CT abdomen. axial plane, index 86. acquired on Brilliance16. 15 organs annotated in this scan (that count is for the whole scan; organs this slice misses have no box)
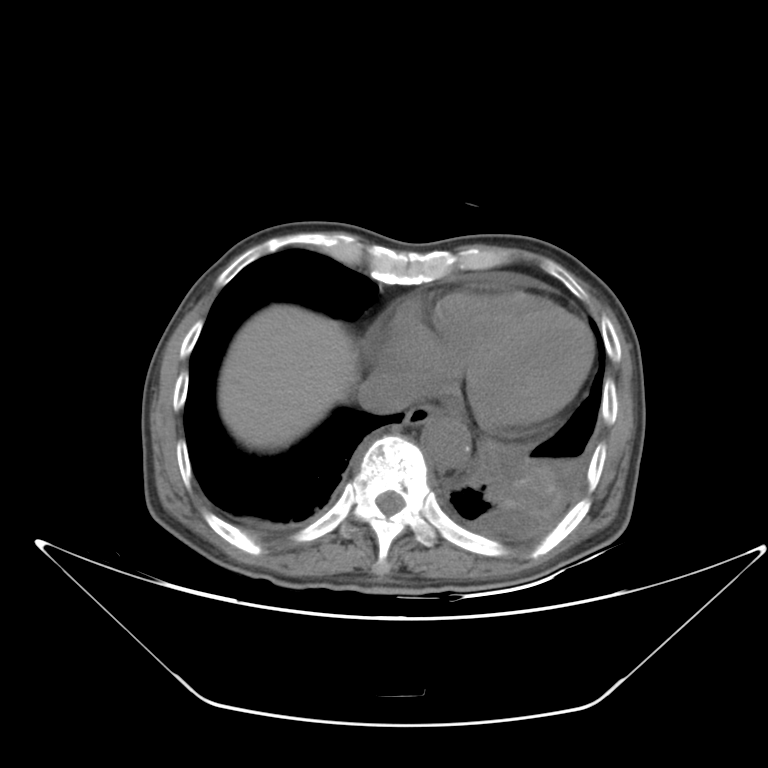
Bounding boxes as [x1, y1, x2, y2] in pixel coordinates.
Organ bounding boxes:
- esophagus: [404, 403, 435, 426]
- liver: [218, 305, 356, 448]
- aorta: [420, 419, 469, 467]
- inferior vena cava: [360, 371, 418, 413]